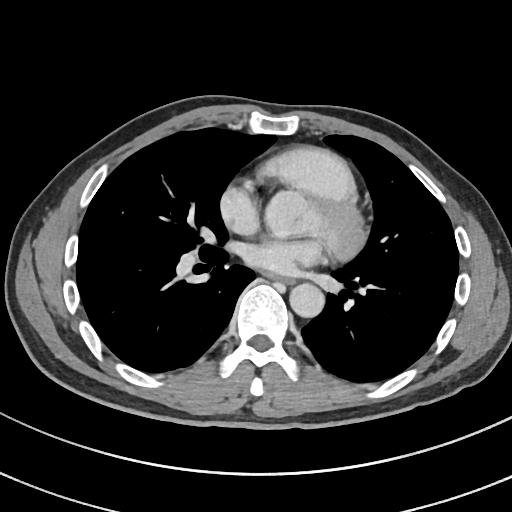

CT of the abdomen extending into the chest, slice through the chest. axial view. soft-tissue window, W/L 400/40
At this level of the chest no structure but the esophagus and the aorta has a label in this dataset, and those two are boxed only where they are labeled.
Organ boxes in pixel coordinates; each row gives the top-left (x1, y1) and bottom-right (x2, y2) corners.
| organ | x1 | y1 | x2 | y2 |
|---|---|---|---|---|
| esophagus | 271 | 275 | 290 | 282 |
| aorta | 289 | 283 | 324 | 317 |